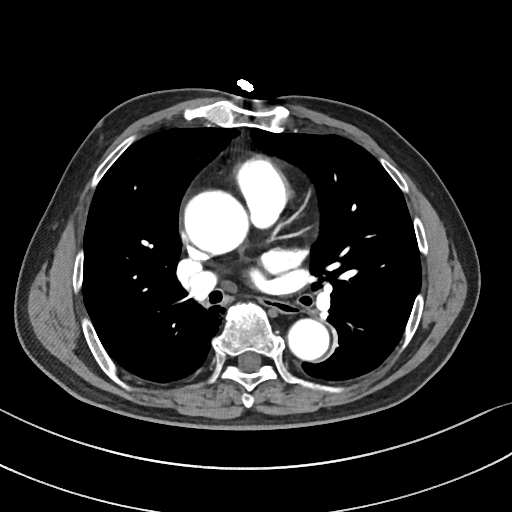 Chest-level slice from an abdominal CT that extends up into the chest; axial view
At this level of the chest no structure but the esophagus and the aorta has a label in this dataset, and those two are boxed only where they are labeled. Boxes: x1 y1 x2 y2 (pixel coords, space-separated). Labeled organs on this slice: esophagus at 261 298 293 312, aorta at 183 190 247 254, aorta at 287 318 328 360.